Abdominal MRI — axial view — percentile-normalized — 320x260 px — 13 organs annotated in this scan (a whole-scan count: organs this slice does not pass through have no box)
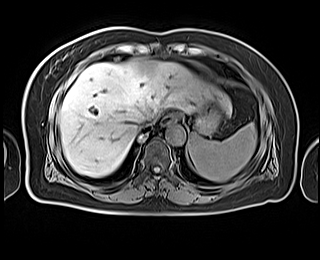
One row per box, in pixels: columns x1 and y1 give the top-left corner, x2 and y2 the bottom-right.
| organ | x1 | y1 | x2 | y2 |
|---|---|---|---|---|
| spleen | 188 | 123 | 257 | 181 |
| esophagus | 160 | 114 | 178 | 125 |
| liver | 60 | 58 | 231 | 177 |
| stomach | 193 | 100 | 221 | 135 |
| aorta | 165 | 124 | 185 | 145 |
| inferior vena cava | 138 | 114 | 156 | 128 |